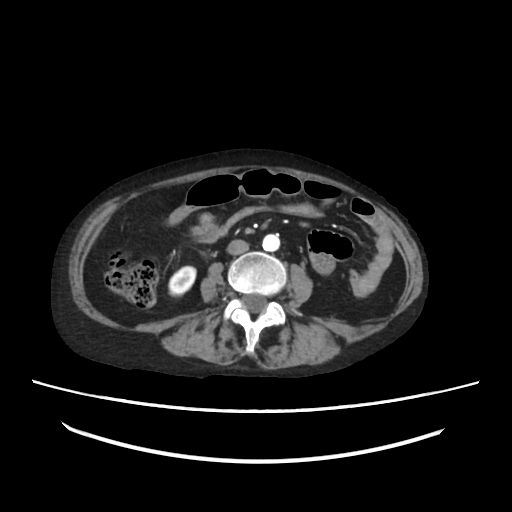
Computed tomography, abdomen; axial view; Aquilion ONE scanner
Boxes: x1 y1 x2 y2 (pixel coords, space-separated).
right kidney: 168 265 196 295
aorta: 262 234 279 251
inferior vena cava: 228 240 248 254